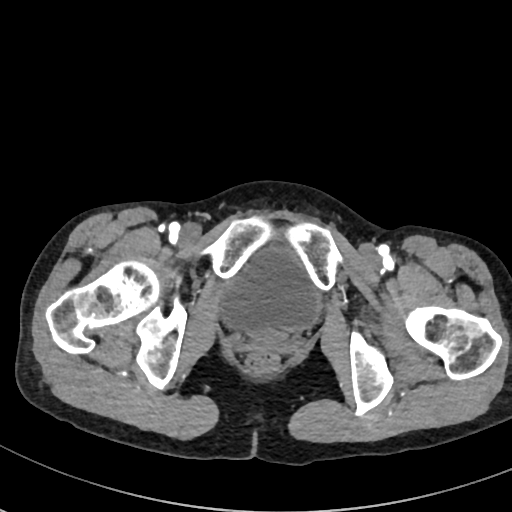

Abdominal CT · axial plane, index 23 · 512x512 px
Bounding boxes as [x1, y1, x2, y2] in pixel coordinates. Labeled organs on this slice: bladder at [221, 245, 320, 334].